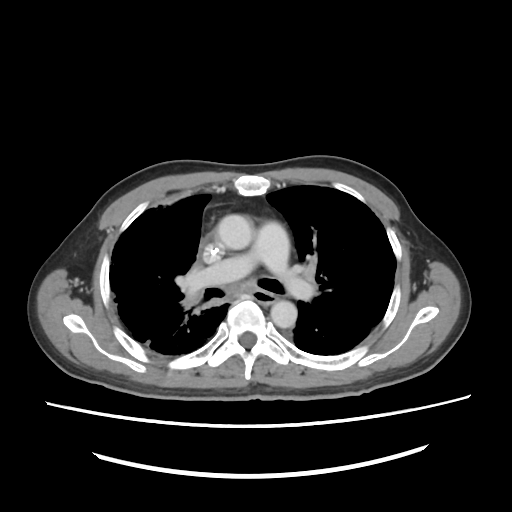 CT of the abdomen extending into the chest, slice through the chest · axial view · soft-tissue window · 512x512 px · 45-year-old male patient · 15 organs annotated in this scan (counted over the whole 3D scan, not this slice; an organ is boxed only where this slice passes through it)
At this level of the chest this dataset labels only the esophagus and the aorta, and each is boxed only where it is labeled; the heart and lungs are never labeled.
{"organs":{"aorta":[[216,215,252,250],[270,300,297,327]]}}